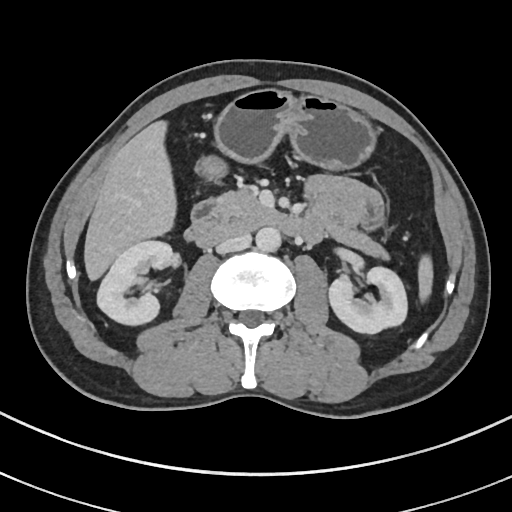

Abdominal CT · axial view · soft-tissue window (W 400 / L 40) · SOMATOM Force scanner
Organ boxes in pixel coordinates; each row gives the top-left (x1, y1) and bottom-right (x2, y2) corners.
| organ | x1 | y1 | x2 | y2 |
|---|---|---|---|---|
| liver | 84 | 123 | 175 | 279 |
| aorta | 256 | 227 | 282 | 251 |
| inferior vena cava | 216 | 232 | 251 | 253 |
| pancreas | 217 | 192 | 390 | 260 |
| left kidney | 329 | 266 | 408 | 333 |
| duodenum | 185 | 197 | 323 | 247 |
| stomach | 196 | 89 | 375 | 178 |
| right kidney | 96 | 241 | 175 | 323 |
| spleen | 418 | 257 | 432 | 301 |